Abdominal CT; this slice is in the lower chest, just above the liver · Axial slice 212/213 · soft-tissue window · 512x512 px
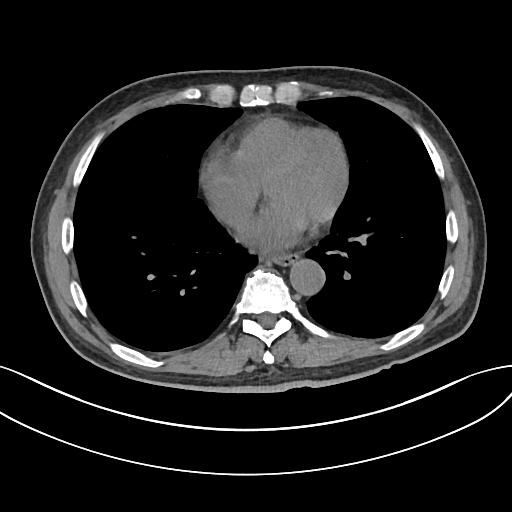 The heart and lungs are never labeled in this dataset, so they have no box on this slice.
<organs><organ name="esophagus" x1="269" y1="254" x2="298" y2="265"/><organ name="aorta" x1="289" y1="259" x2="324" y2="295"/></organs>